CT, abdomen/pelvis. Axial slice 329/353
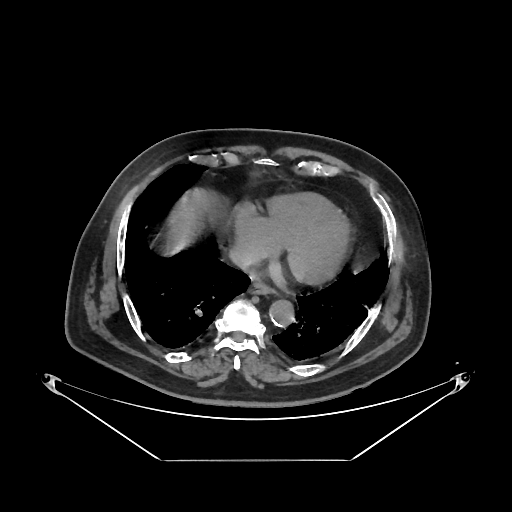 {"organs":{"esophagus":[249,283,273,293],"liver":[172,191,207,252],"aorta":[269,298,293,325],"inferior vena cava":[228,248,258,270]}}